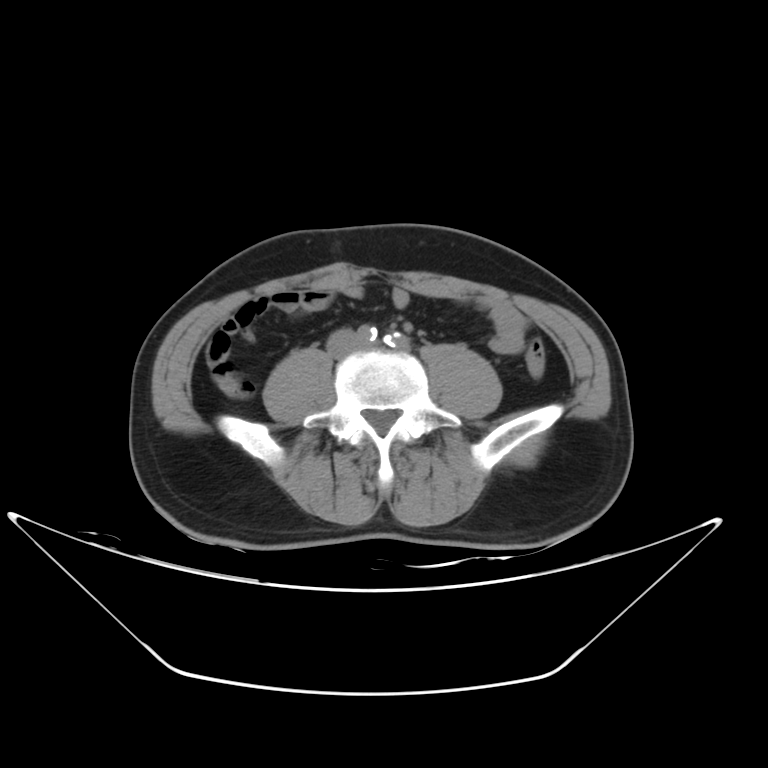 Computed tomography, abdomen. axial view
Each box given as x1,y1,x2,y2.
Organ bounding boxes:
- inferior vena cava: x1=327, y1=328, x2=356, y2=359